Abdominal CT · axial plane, index 91 · scan has 15 labeled organs (a whole-scan count: organs this slice does not pass through have no box)
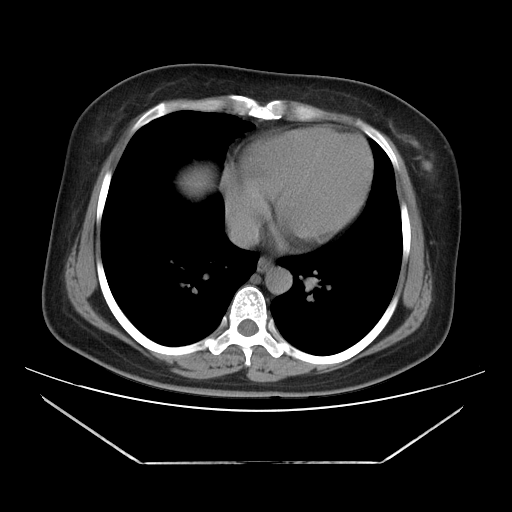

Organ boxes in pixel coordinates; each row gives the top-left (x1, y1) and bottom-right (x2, y2) corners.
| organ | x1 | y1 | x2 | y2 |
|---|---|---|---|---|
| liver | 187 | 172 | 208 | 188 |
| aorta | 265 | 267 | 292 | 294 |
| esophagus | 257 | 257 | 272 | 272 |
| inferior vena cava | 228 | 216 | 259 | 248 |